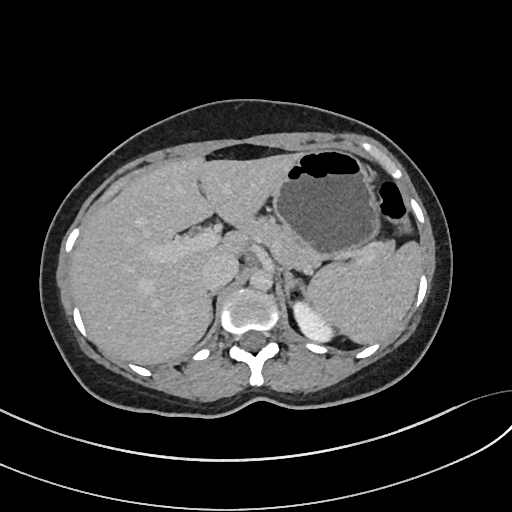 CT abdomen; axial plane, index 169
Bounding boxes in pixels, one row per box: x1, y1 is the top-left corner and x2, y2 the bottom-right.
| organ | x1 | y1 | x2 | y2 |
|---|---|---|---|---|
| spleen | 306 | 240 | 423 | 344 |
| left kidney | 293 | 300 | 331 | 342 |
| liver | 70 | 153 | 300 | 364 |
| stomach | 273 | 148 | 380 | 266 |
| aorta | 249 | 269 | 272 | 291 |
| inferior vena cava | 202 | 256 | 238 | 290 |
| pancreas | 256 | 220 | 393 | 269 |
| right adrenal gland | 210 | 293 | 215 | 311 |
| left adrenal gland | 284 | 271 | 306 | 308 |